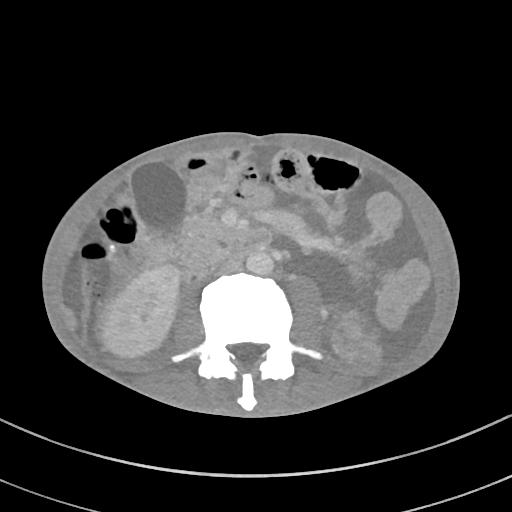

Computed tomography, abdomen; axial view; soft-tissue window (W 400 / L 40); SOMATOM Force scanner
Boxes: x1:y1:x2:y2 in pixels.
right kidney: 102:266:179:357
gall bladder: 127:160:186:231
aorta: 246:250:273:275
inferior vena cava: 215:259:241:273
pancreas: 177:212:237:264
duodenum: 181:228:271:275